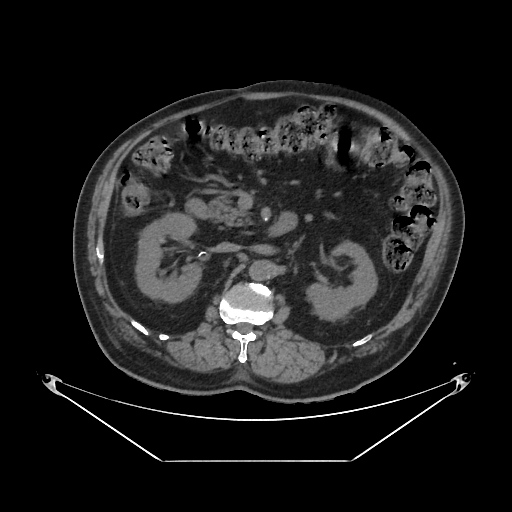
Abdominal CT — axial view — scan has 15 labeled organs (counted over the whole 3D scan, not this slice; an organ is boxed only where this slice passes through it)
Boxes: x1 y1 x2 y2 (pixel coords, space-separated). 6 labeled organs on this slice — right kidney at 136 213 201 302; left kidney at 306 241 377 320; aorta at 249 260 275 280; inferior vena cava at 216 242 240 251; pancreas at 209 195 244 227; duodenum at 188 201 286 235.